Magnetic resonance imaging, abdomen · coronal view · percentile-normalized
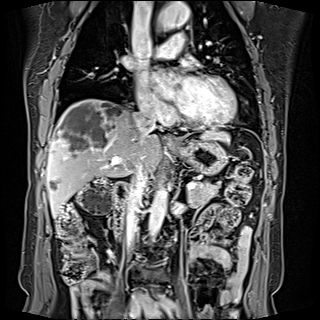 Bounding boxes as [x1, y1, x2, y2] in pixel coordinates.
Organ bounding boxes:
- stomach: [173, 137, 227, 175]
- aorta: [148, 183, 167, 238]
- aorta: [158, 1, 189, 29]
- inferior vena cava: [126, 161, 147, 250]
- inferior vena cava: [135, 108, 156, 140]
- inferior vena cava: [132, 295, 142, 305]
- pancreas: [189, 181, 219, 207]
- liver: [46, 99, 231, 218]
- duodenum: [113, 182, 127, 237]
- spleen: [205, 132, 217, 134]
- esophagus: [166, 136, 177, 148]